CT abdomen; axial plane, index 9; abdomen soft-tissue window; 768x768 px; Brilliance16 scanner
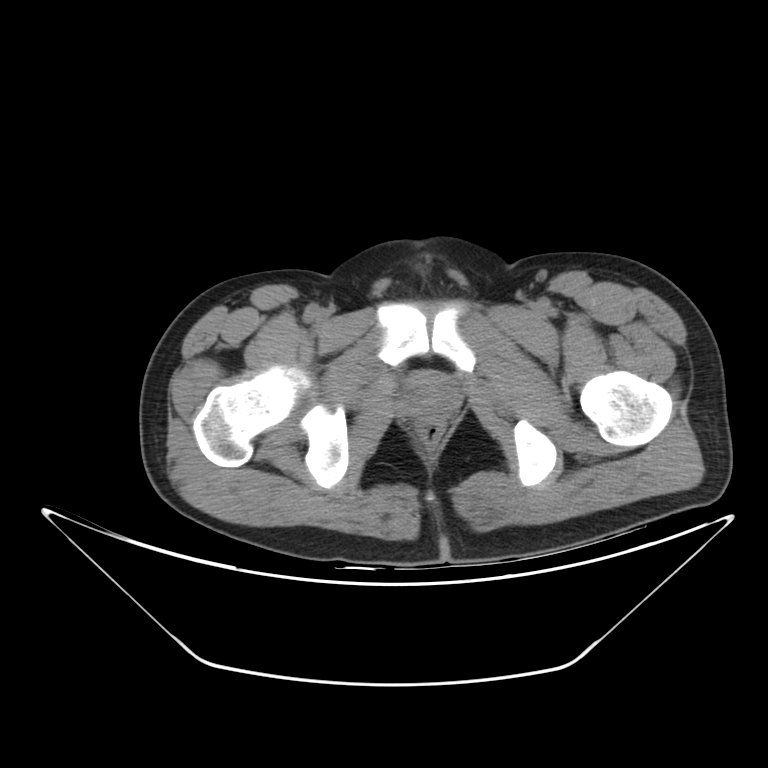
<organs><organ name="prostate/uterus" x1="405" y1="378" x2="456" y2="417"/></organs>